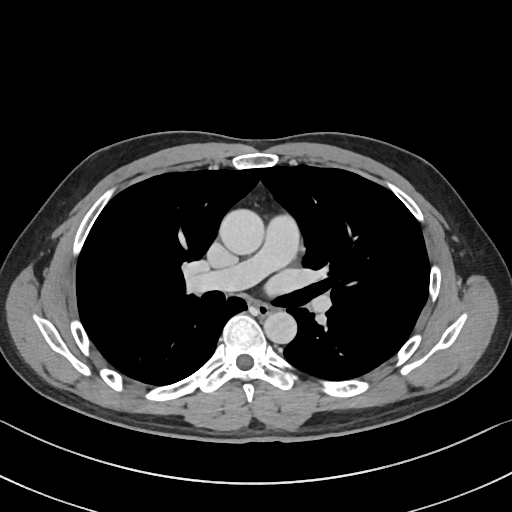 CT of the abdomen extending into the chest, slice through the chest; Axial slice 229/291; W/L 400/40 HU; 15 organs annotated in this scan (counted over the whole 3D scan, not this slice; an organ is boxed only where this slice passes through it)
On a slice this high in the chest, this dataset labels only the esophagus and the aorta, and each is boxed only where it is labeled; the heart, lungs and other chest structures are not labeled. Boxes are (x1, y1, x2, y2) in pixels. The annotated organs in this slice are: esophagus at (256, 303, 271, 314), aorta at (219, 208, 264, 254), aorta at (264, 311, 296, 344).